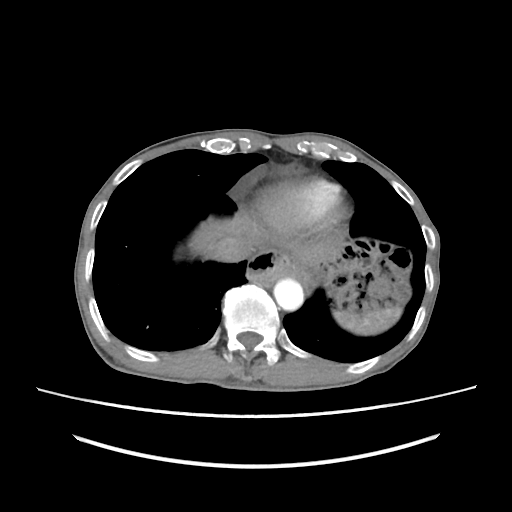

Computed tomography, abdomen · axial view · abdomen soft-tissue window
<organs><organ name="aorta" x1="273" y1="279" x2="303" y2="310"/><organ name="spleen" x1="333" y1="305" x2="402" y2="335"/><organ name="inferior vena cava" x1="212" y1="237" x2="252" y2="262"/><organ name="liver" x1="189" y1="217" x2="335" y2="265"/></organs>